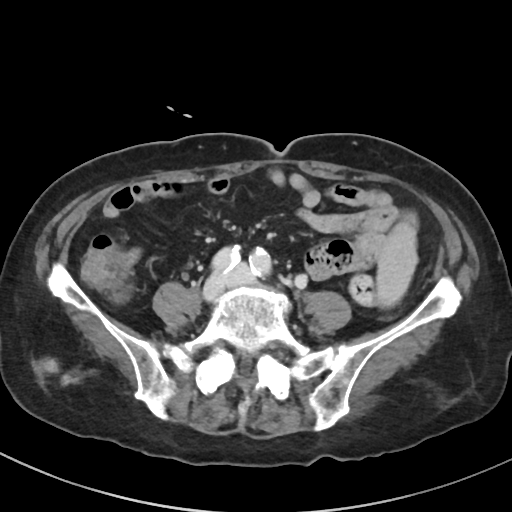

Computed tomography, abdomen · axial view · soft-tissue window (W 400 / L 40) · scan has 15 labeled organs (that count is for the whole scan; organs this slice misses have no box)
Boxes are (x1, y1, x2, y2) in pixels. 1 labeled organ on this slice — spleen at (376, 225, 417, 305).